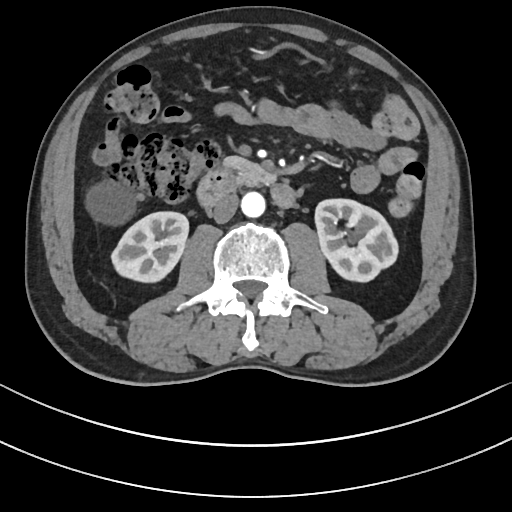 CT abdomen — axial view
{"organs":{"right kidney":[112,211,188,280],"left kidney":[315,198,397,282],"liver":[89,184,132,220],"aorta":[241,191,265,216],"inferior vena cava":[212,193,238,223],"pancreas":[222,156,272,184],"duodenum":[197,164,294,207]}}